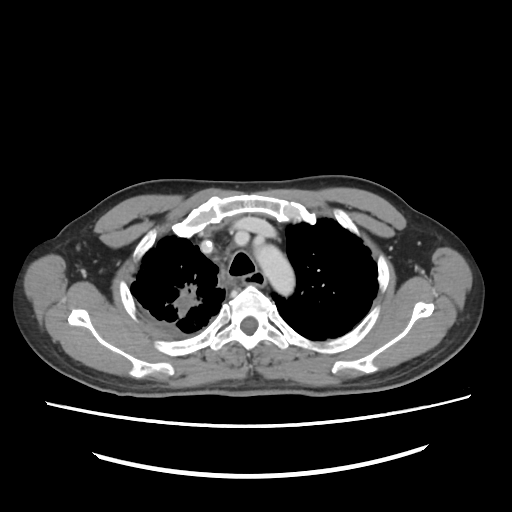

Chest-level CT slice, above the liver and spleen. axial view. 45-year-old male patient. acquired on Aquilion ONE
On a slice this high in the chest, this dataset labels only the esophagus and the aorta, and each is boxed only where it is labeled; the heart, lungs and other chest structures are not labeled. Bounding boxes as [x1, y1, x2, y2] in pixel coordinates. The annotated organs in this slice are: aorta at [257, 244, 295, 292].